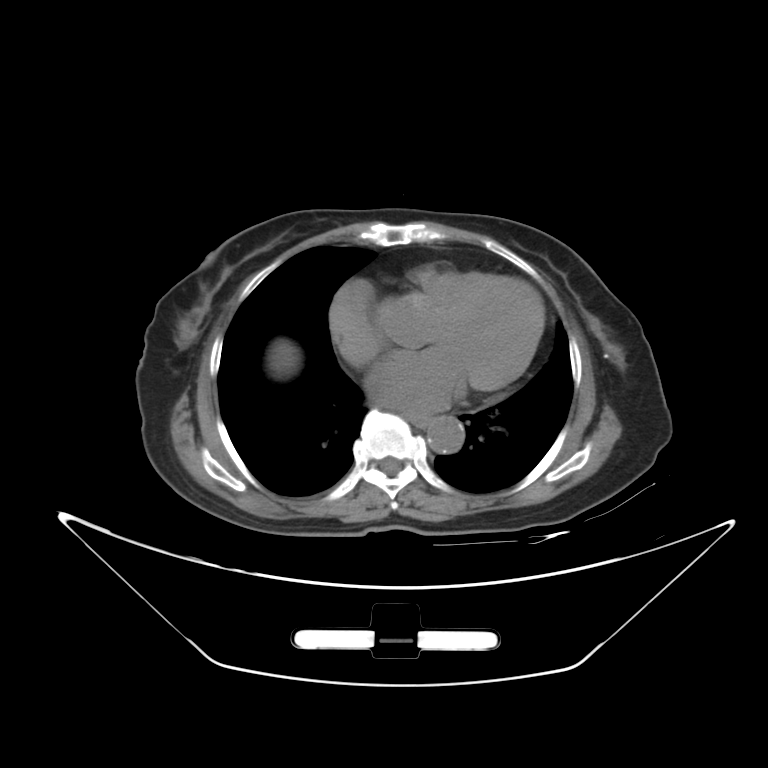

Computed tomography, abdomen — axial view — soft-tissue window — 66-year-old female patient
<organs><organ name="esophagus" x1="404" y1="413" x2="429" y2="427"/><organ name="liver" x1="270" y1="341" x2="296" y2="372"/><organ name="aorta" x1="427" y1="415" x2="464" y2="453"/></organs>